Abdominal CT. axial plane, index 59. abdomen soft-tissue window. 512x512 px
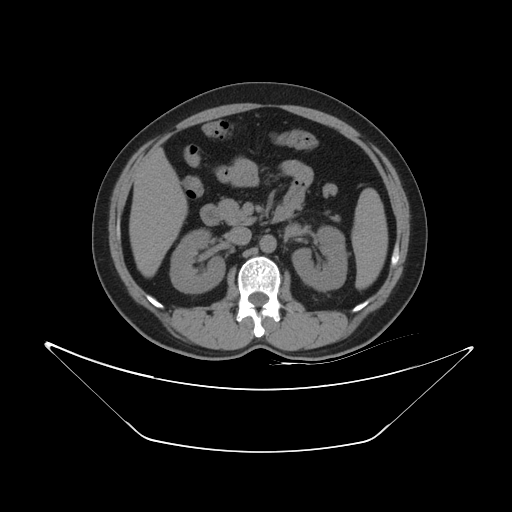

Each box given as x1,y1,x2,y2. 8 labeled organs on this slice — spleen at x1=351, y1=187, x2=387, y2=289; right kidney at x1=170, y1=228, x2=225, y2=293; left kidney at x1=292, y1=226, x2=346, y2=291; liver at x1=129, y1=147, x2=187, y2=277; aorta at x1=260, y1=235, x2=275, y2=252; inferior vena cava at x1=227, y1=226, x2=251, y2=244; pancreas at x1=217, y1=199, x2=339, y2=224; duodenum at x1=200, y1=204, x2=219, y2=225.